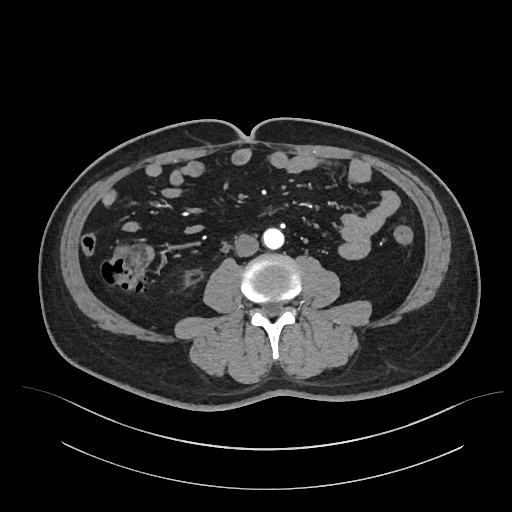 Abdominal CT; Axial slice 127/333
Box edges are left/top/right/bottom in pixels.
Organ bounding boxes:
- aorta: left=262, top=228, right=283, bottom=249
- inferior vena cava: left=235, top=234, right=258, bottom=256